Computed tomography, abdomen; Axial slice 170/251; 512x512 px
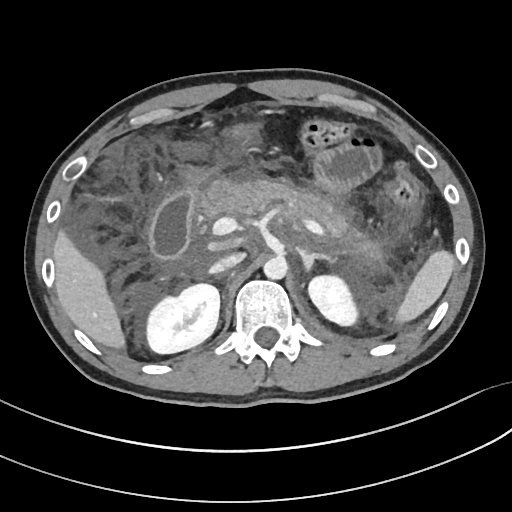
Boxes: x1:y1:x2:y2 in pixels.
Organ bounding boxes:
- inferior vena cava: 209:253:243:273
- stomach: 183:125:253:188
- left kidney: 308:275:358:325
- pancreas: 201:181:379:258
- duodenum: 149:191:195:258
- aorta: 263:257:287:279
- spleen: 396:250:454:322
- left adrenal gland: 299:248:330:271
- right kidney: 146:283:219:353
- liver: 53:230:125:348